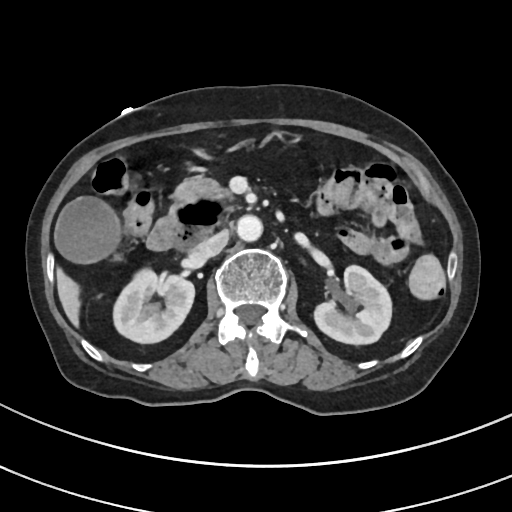
CT abdomen; axial view; abdomen soft-tissue window; 512x512 px
Each box given as x1,y1,x2,y2.
right kidney: x1=113, y1=266, x2=194, y2=343
left kidney: x1=315, y1=265, x2=392, y2=343
gall bladder: x1=56, y1=198, x2=118, y2=262
liver: x1=56, y1=272, x2=80, y2=329
stomach: x1=264, y1=134, x2=300, y2=144
aorta: x1=237, y1=214, x2=262, y2=240
inferior vena cava: x1=194, y1=230, x2=229, y2=260
pancreas: x1=170, y1=177, x2=228, y2=206
duodenum: x1=145, y1=199, x2=230, y2=251